Computed tomography, abdomen. axial view. 768x768 px. Brilliance16 scanner. 15 organs annotated in this scan (counted over the whole 3D scan, not this slice; an organ is boxed only where this slice passes through it)
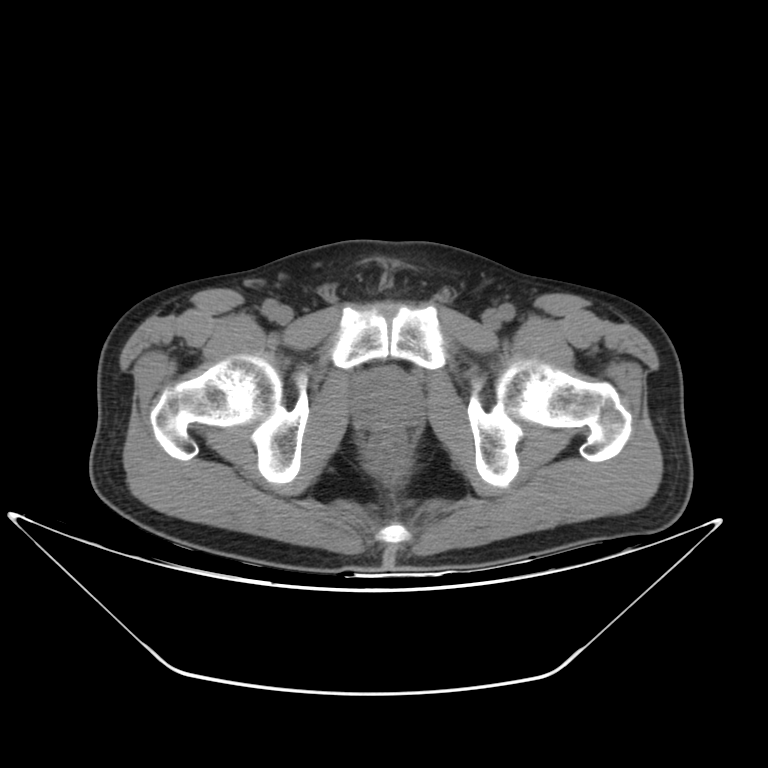
Each box given as x1,y1,x2,y2. 1 labeled organ on this slice — prostate/uterus at x1=349, y1=366, x2=423, y2=431.